CT abdomen; axial view; abdomen soft-tissue window
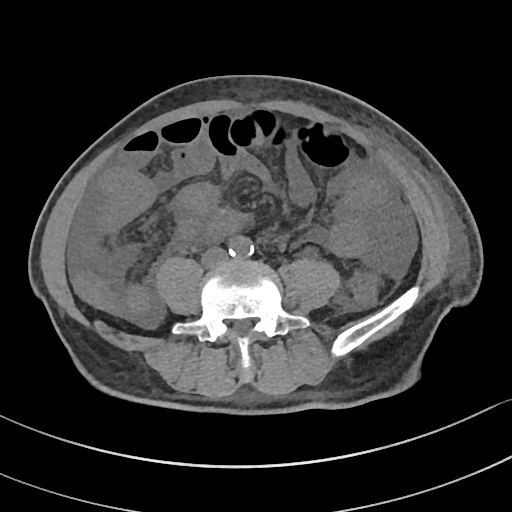

<organs><organ name="aorta" x1="229" y1="236" x2="253" y2="258"/><organ name="inferior vena cava" x1="202" y1="248" x2="227" y2="266"/></organs>